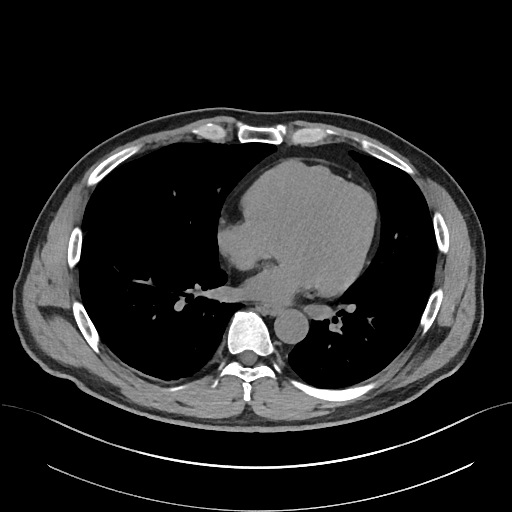
Lower-chest slice from an abdominal CT, just above the liver and spleen — Axial slice 258/265 — 512x512 px — SOMATOM Force scanner — 15 organs annotated in this scan (that count is for the whole scan; organs this slice misses have no box)
The heart and lungs are never labeled in this dataset, so they have no box on this slice.
{"organs":{"esophagus":[261,306,278,314],"aorta":[273,310,308,344]}}